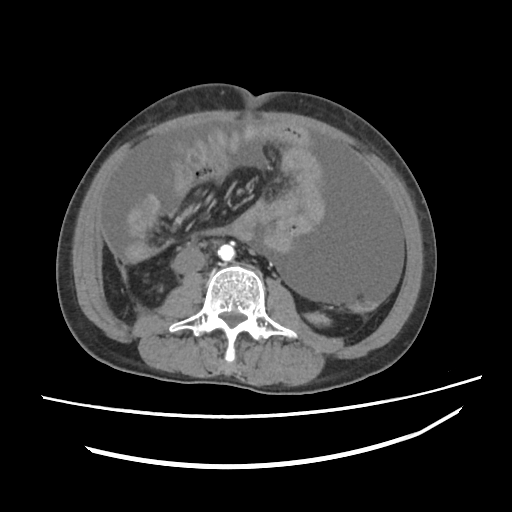 Abdominal CT · Axial slice 58/103 · W/L 400/40 HU · 50-year-old male patient
{"organs":{"left kidney":[306,313,328,323],"liver":[201,123,204,123],"aorta":[218,244,234,260],"inferior vena cava":[174,248,205,273]}}